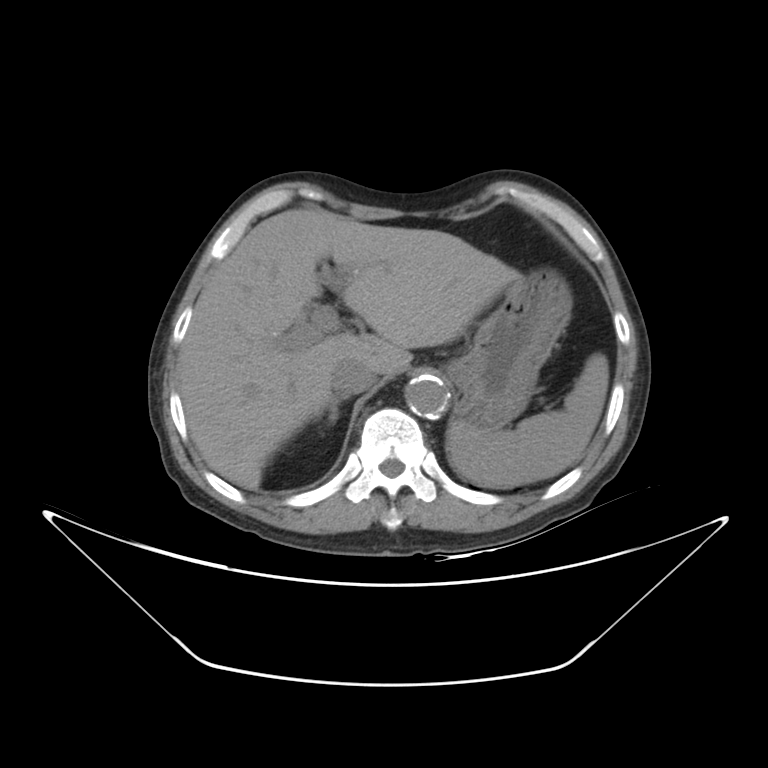

Abdominal CT — Axial slice 82/94 — soft-tissue window (W 400 / L 40) — 768x768 px
Boxes are (x1, y1, x2, y2) in pixels. 6 labeled organs on this slice — spleen at (446, 352, 609, 487); liver at (178, 208, 517, 489); stomach at (446, 269, 571, 431); aorta at (405, 377, 449, 417); inferior vena cava at (331, 356, 376, 395); right adrenal gland at (314, 396, 345, 424).